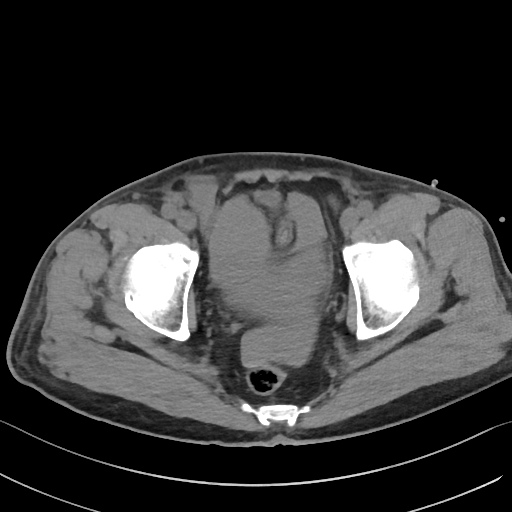

CT abdomen; axial view; SOMATOM Force scanner
Boxes are (x1, y1, x2, y2) in pixels.
bladder: (253, 190, 290, 243)